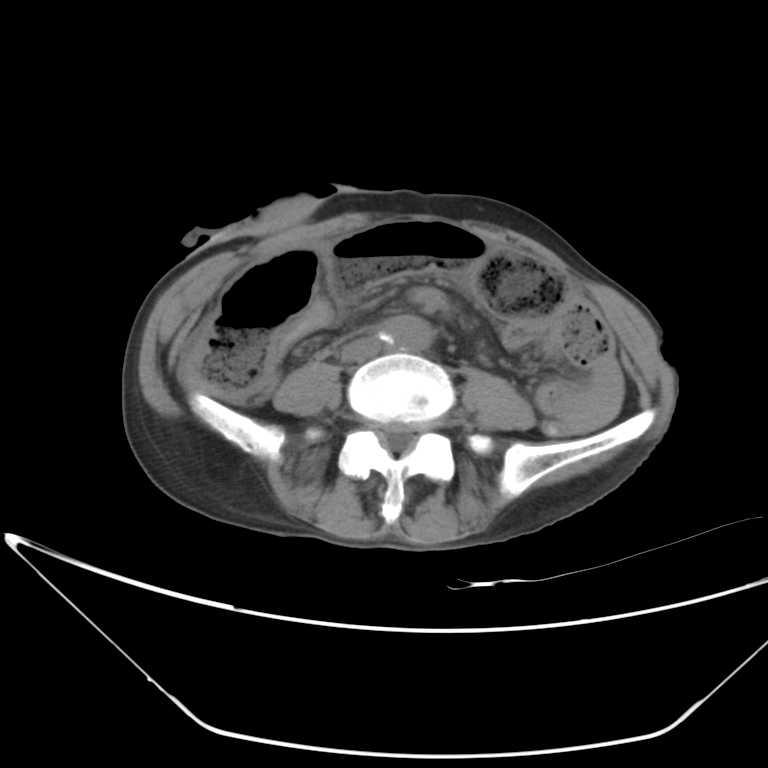
CT, abdomen/pelvis; axial view; 768x768 px; 66-year-old male patient; Brilliance16 scanner
One row per box, in pixels: columns x1 and y1 give the top-left corner, x2 and y2 the bottom-right.
| organ | x1 | y1 | x2 | y2 |
|---|---|---|---|---|
| inferior vena cava | 341 | 338 | 381 | 361 |
| aorta | 380 | 317 | 431 | 351 |